Computed tomography, abdomen — axial view
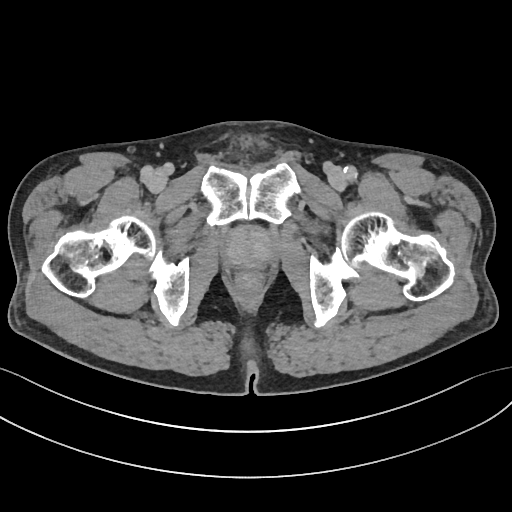

Boxes: x1:y1:x2:y2 in pixels.
prostate/uterus: 221:223:278:269